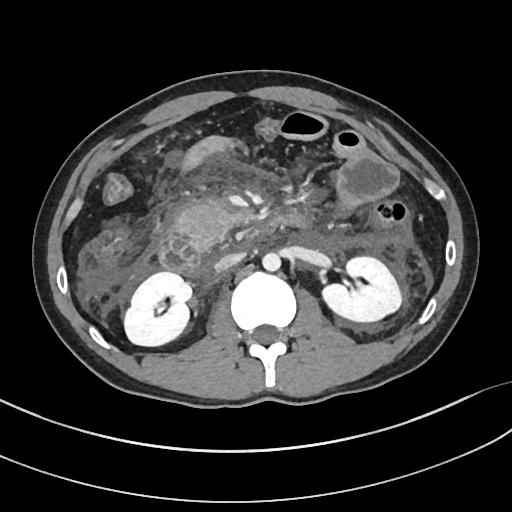 CT abdomen. axial view. abdomen soft-tissue window
Organ boxes in pixel coordinates; each row gives the top-left (x1, y1) and bottom-right (x2, y2) corners.
| organ | x1 | y1 | x2 | y2 |
|---|---|---|---|---|
| duodenum | 159 | 224 | 266 | 279 |
| inferior vena cava | 215 | 252 | 244 | 270 |
| pancreas | 172 | 198 | 238 | 250 |
| right kidney | 123 | 271 | 191 | 346 |
| left kidney | 324 | 256 | 403 | 321 |
| aorta | 262 | 252 | 280 | 270 |